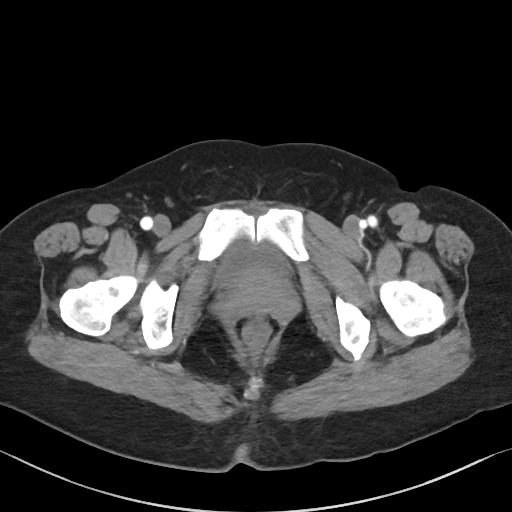
Computed tomography, abdomen — axial view — abdomen soft-tissue window — 512x512 px
Box edges are left/top/right/bottom in pixels. 1 labeled organ on this slice — bladder at left=215, top=242, right=288, bottom=287.